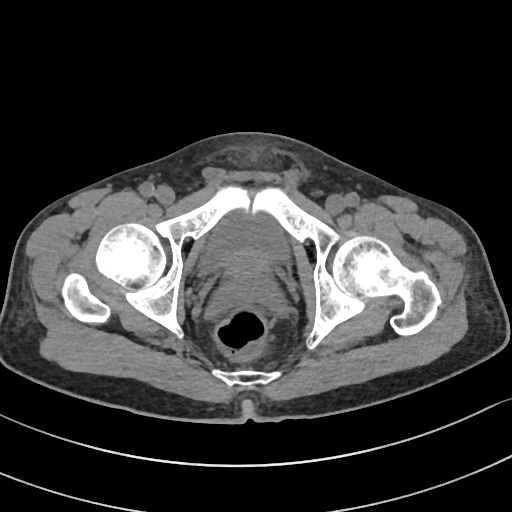 Computed tomography, abdomen; axial view; soft-tissue window (W 400 / L 40); 512x512 px; SOMATOM Force scanner; 15 organs annotated in this scan (counted over the whole 3D scan, not this slice; an organ is boxed only where this slice passes through it)
Boxes: x1:y1:x2:y2 in pixels.
Organ bounding boxes:
- bladder: 201:215:286:268
- prostate/uterus: 227:253:269:290